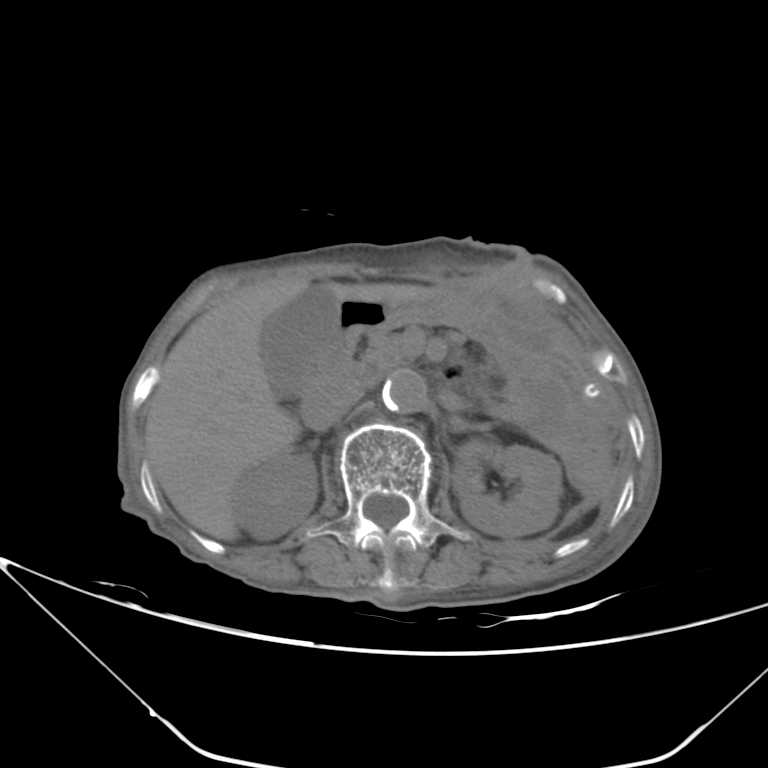 CT abdomen · Axial slice 63/88 · 80-year-old female patient
{"organs":{"right kidney":[233,452,317,539],"left kidney":[452,440,562,537],"gall bladder":[260,284,338,397],"liver":[144,276,434,540],"stomach":[379,287,614,419],"aorta":[382,371,425,412],"inferior vena cava":[305,380,364,431],"pancreas":[353,333,406,374],"duodenum":[299,299,389,415]}}